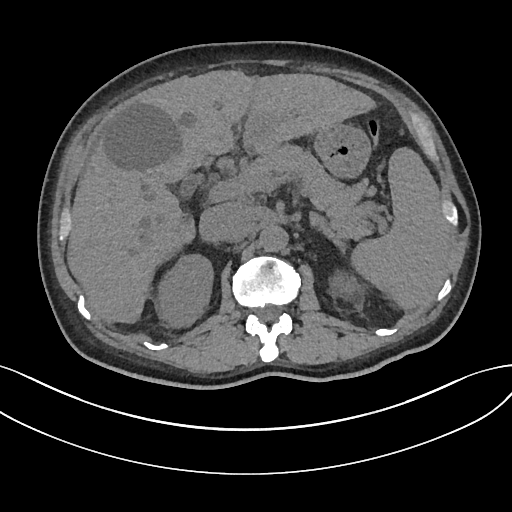

CT abdomen. axial view. acquired on SOMATOM Force
Each box given as x1,y1,x2,y2.
left kidney: x1=331, y1=273, x2=360, y2=295
left adrenal gland: x1=310, y1=211, x2=343, y2=246
inferior vena cava: x1=199, y1=203, x2=247, y2=241
liver: x1=68, y1=70, x2=372, y2=322
spleen: x1=353, y1=147, x2=450, y2=310
gall bladder: x1=177, y1=176, x2=198, y2=198
stomach: x1=314, y1=123, x2=370, y2=176
right kidney: x1=158, y1=253, x2=213, y2=327
pancreas: x1=237, y1=143, x2=386, y2=238
aorta: x1=259, y1=223, x2=287, y2=250